Abdominal CT · axial plane, index 60 · 45-year-old male patient
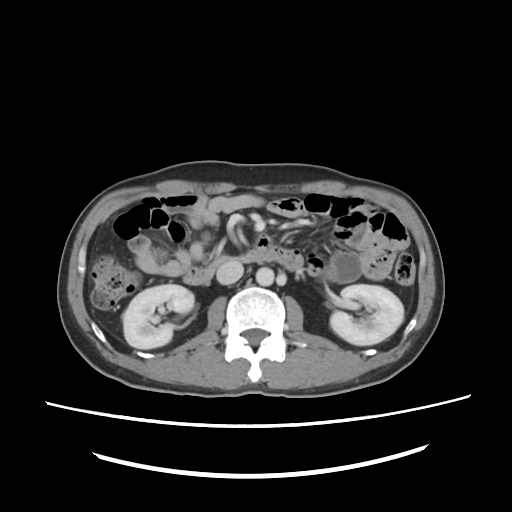 {"organs":{"right kidney":[124,284,193,349],"left kidney":[330,284,404,345],"aorta":[255,267,273,285],"inferior vena cava":[217,262,242,283],"duodenum":[181,235,305,283]}}